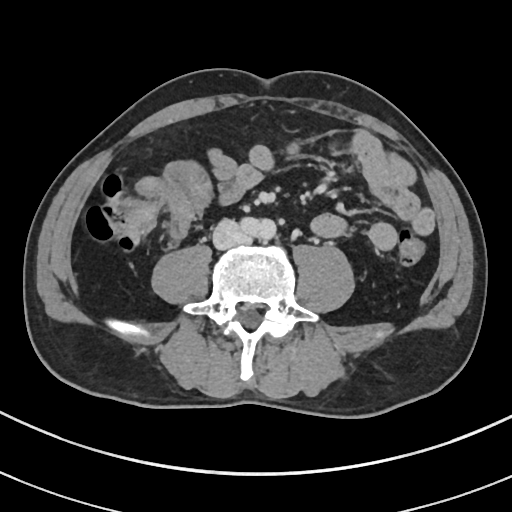

CT, abdomen/pelvis. axial view. 512x512 px
Boxes: x1 y1 x2 y2 (pixel coords, space-separated).
Organ bounding boxes:
- inferior vena cava: 213 219 250 249
- aorta: 240 217 277 241